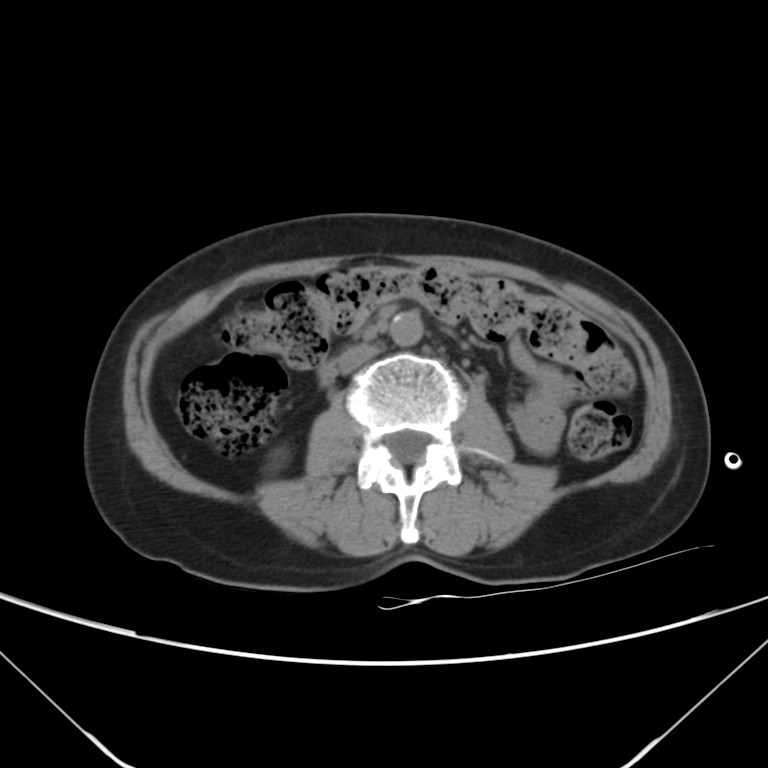 Abdominal CT · axial view · 63-year-old female patient · 15 organs annotated in this scan (that count is for the whole scan; organs this slice misses have no box)
<organs><organ name="right kidney" x1="267" y1="447" x2="289" y2="470"/><organ name="aorta" x1="389" y1="311" x2="423" y2="346"/><organ name="inferior vena cava" x1="337" y1="342" x2="378" y2="373"/><organ name="duodenum" x1="321" y1="358" x2="337" y2="381"/></organs>